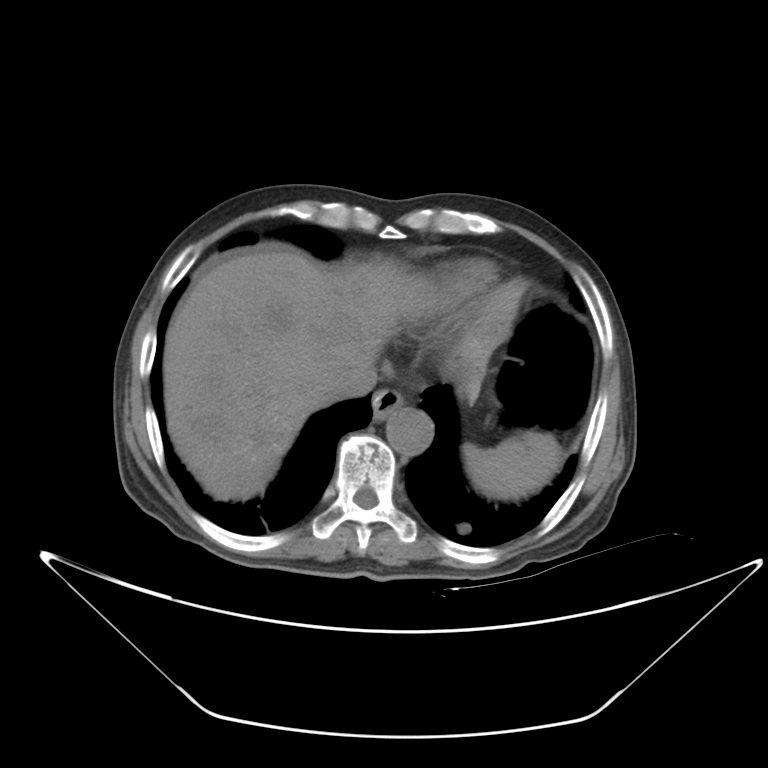 Abdominal CT; axial plane, index 82; W/L 400/40 HU; 15 organs annotated in this scan (counted over the whole 3D scan, not this slice; an organ is boxed only where this slice passes through it)
{"organs":{"spleen":[462,431,562,500],"esophagus":[371,388,403,420],"liver":[162,250,521,501],"aorta":[386,406,433,455],"inferior vena cava":[326,362,377,399]}}